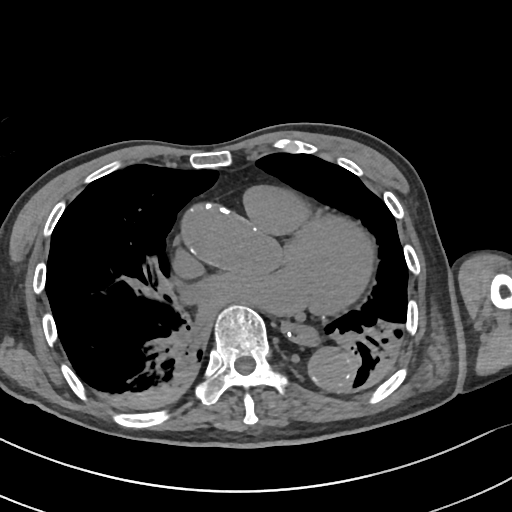
Abdominal CT; this slice is in the lower chest, just above the liver; axial view; acquired on SOMATOM Force
The heart and lungs are never labeled in this dataset, so they have no box on this slice. Boxes: x1:y1:x2:y2 in pixels. The annotated organs in this slice are: esophagus at 283:322:318:345, aorta at 309:349:354:388.